CT, abdomen/pelvis — Axial slice 49/105 — 768x768 px
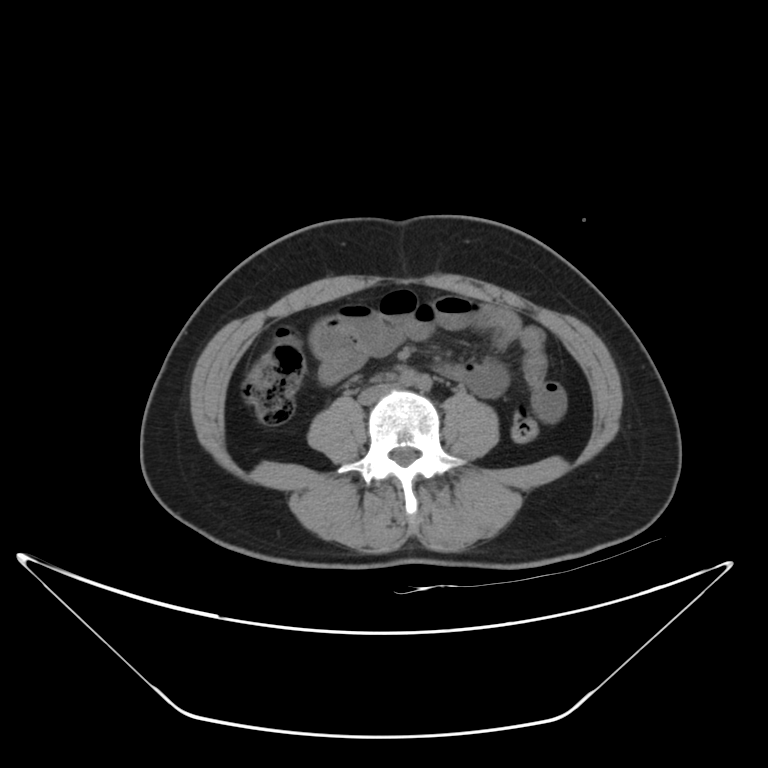

Bounding boxes in pixels, one row per box: x1, y1 is the top-left corner and x2, y2 the bottom-right.
| organ | x1 | y1 | x2 | y2 |
|---|---|---|---|---|
| inferior vena cava | 360 | 384 | 388 | 403 |